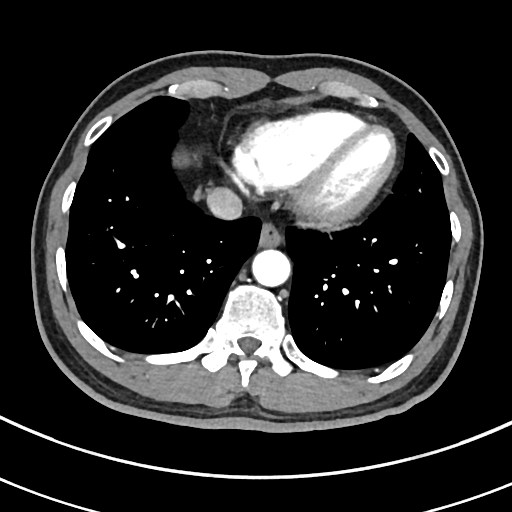

CT of the abdomen reaching into the lower chest, slice just above the liver and spleen — Axial slice 192/302 — soft-tissue window, W/L 400/40 — 512x512 px
No part of the heart or lungs is labeled in this dataset, so neither has a box here. Boxes: x1:y1:x2:y2 in pixels. Labeled organs on this slice: aorta at 251:249:290:286, esophagus at 259:221:282:246, inferior vena cava at 206:188:243:220.